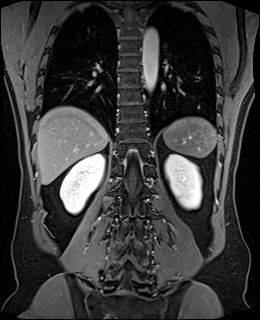

Magnetic resonance imaging, abdomen; coronal acquisition; 1st–99th percentile window; 13 organs annotated in this scan (that count is for the whole scan; organs this slice misses have no box)
{"organs":{"spleen":[162,117,217,157],"liver":[36,106,109,184],"right kidney":[60,153,104,214],"aorta":[142,27,158,91],"left kidney":[164,154,201,209]}}